Computed tomography, abdomen — axial plane, index 71 — 54-year-old male patient
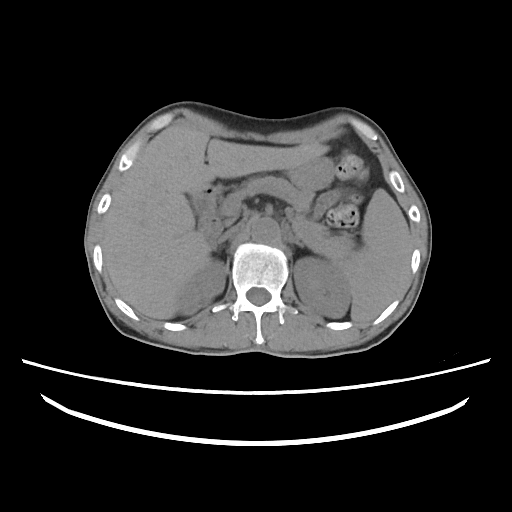
Box edges are left/top/right/bottom in pixels.
spleen: left=341, top=189, right=413, bottom=322
right kidney: left=178, top=260, right=226, bottom=313
left kidney: left=293, top=259, right=351, bottom=318
liver: left=102, top=124, right=328, bottom=318
stomach: left=285, top=158, right=334, bottom=190
aorta: left=251, top=216, right=278, bottom=242
inferior vena cava: left=218, top=222, right=245, bottom=242
pancreas: left=241, top=176, right=353, bottom=258
left adrenal gland: left=288, top=231, right=305, bottom=248
duodenum: left=192, top=185, right=221, bottom=253